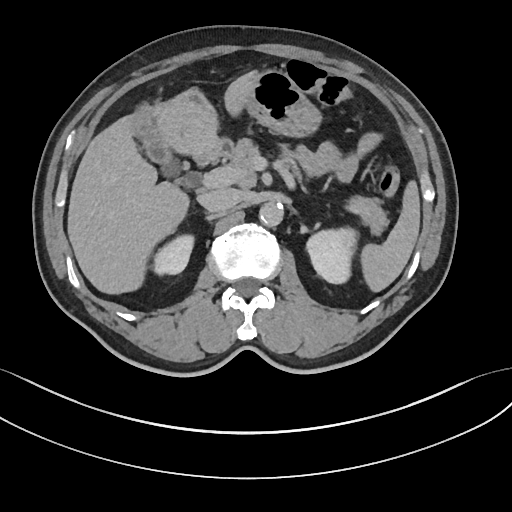

CT abdomen; axial view; soft-tissue window
{"organs":{"spleen":[360,180,420,292],"right kidney":[154,235,194,273],"left kidney":[305,229,355,282],"gall bladder":[138,131,176,173],"liver":[67,69,263,295],"stomach":[249,71,322,138],"aorta":[258,203,283,227],"inferior vena cava":[199,187,239,212],"pancreas":[231,138,387,233],"duodenum":[218,140,231,154]}}